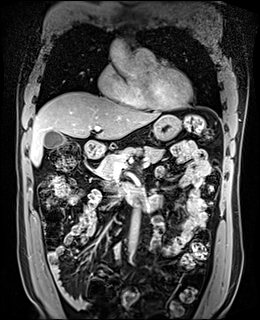

Abdominal MR. coronal acquisition. percentile-normalized
Boxes: x1 y1 x2 y2 (pixel coords, space-separated). Labeled organs on this slice: gall bladder at 44 131 65 148, liver at 29 91 160 165, stomach at 153 114 180 140, aorta at 108 39 145 82, aorta at 128 209 139 254, pancreas at 98 146 164 189, duodenum at 84 140 150 205.